Abdominal CT; axial view; W/L 400/40 HU; 15 organs annotated in this scan (that count is for the whole scan; organs this slice misses have no box)
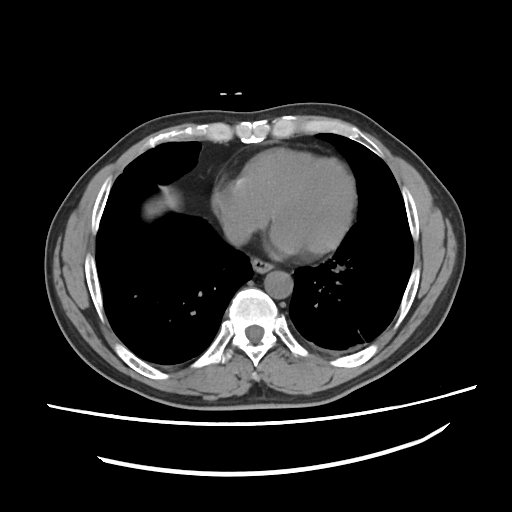 Boxes are (x1, y1, x2, y2) in pixels. The annotated organs in this slice are: liver at (145, 186, 175, 214), esophagus at (251, 257, 273, 274), aorta at (264, 271, 292, 299), inferior vena cava at (224, 223, 250, 247).